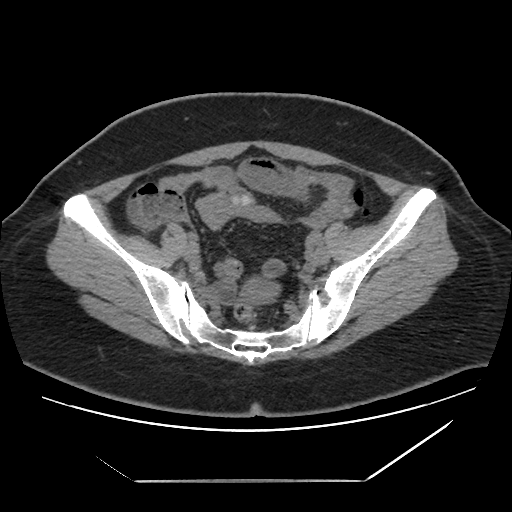

Abdominal CT · axial view · 512x512 px
Organ boxes in pixel coordinates; each row gives the top-left (x1, y1) and bottom-right (x2, y2) corners.
| organ | x1 | y1 | x2 | y2 |
|---|---|---|---|---|
| prostate/uterus | 241 | 278 | 277 | 303 |